Abdominal CT; axial plane, index 70; W/L 400/40 HU; 768x768 px; 15 organs annotated in this scan (a whole-scan count: organs this slice does not pass through have no box)
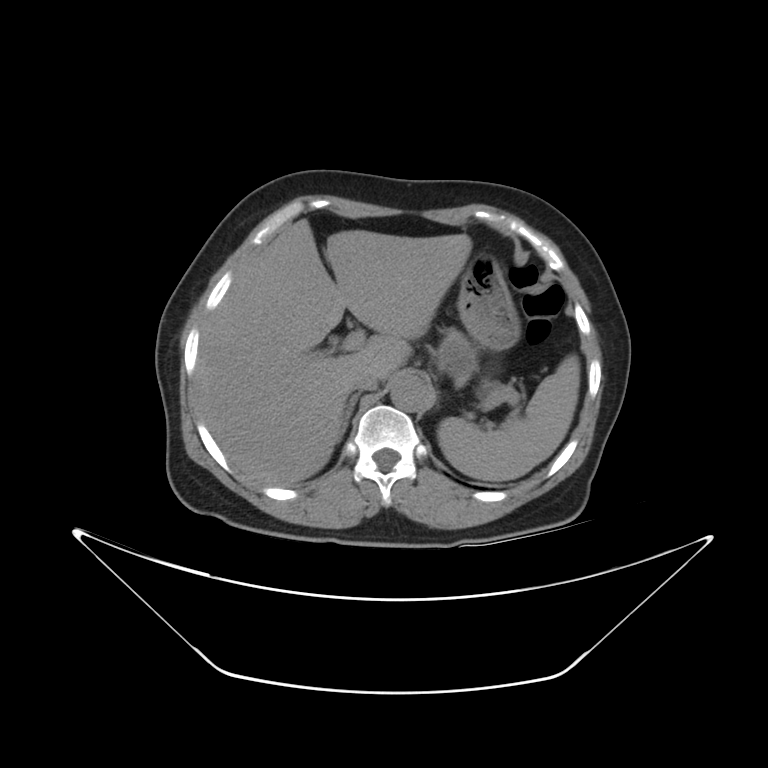

Boxes: x1:y1:x2:y2 in pixels.
Organ bounding boxes:
- aorta: 386:374:427:412
- stomach: 458:257:517:351
- liver: 193:218:473:484
- spleen: 437:356:579:482
- inferior vena cava: 349:369:380:390
- pancreas: 433:329:473:376
- right adrenal gland: 343:391:359:434